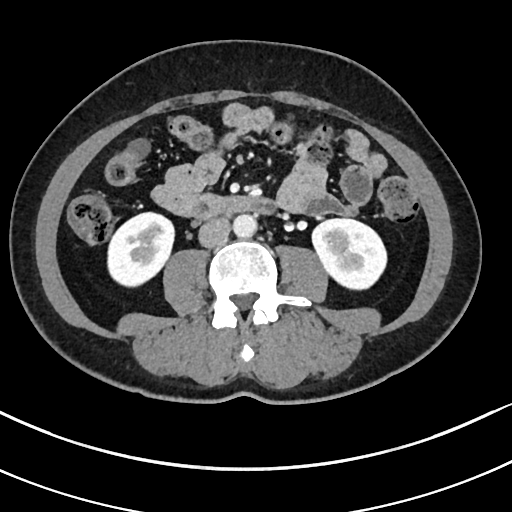
Abdominal CT. Axial slice 113/206
{"organs":{"right kidney":[107,213,174,285],"left kidney":[312,219,387,288],"aorta":[233,213,257,237],"inferior vena cava":[198,216,231,247],"duodenum":[192,193,273,217]}}